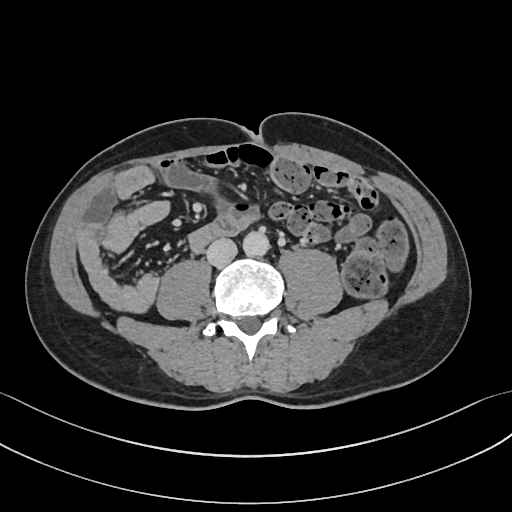

CT, abdomen/pelvis · axial view · soft-tissue window (W 400 / L 40) · scan has 14 labeled organs (that count is for the whole scan; organs this slice misses have no box)
Coordinates as <box>x1,y1,x2,y2</box> in pixels.
aorta: <box>243,231,269,258</box>
inferior vena cava: <box>207,239,237,266</box>